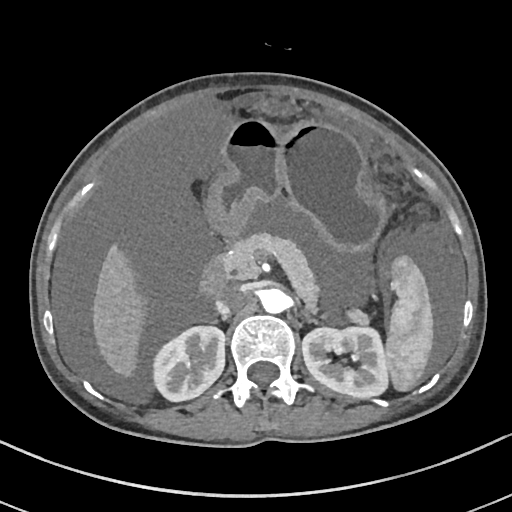
Computed tomography, abdomen — Axial slice 157/237 — scan has 15 labeled organs (counted over the whole 3D scan, not this slice; an organ is boxed only where this slice passes through it)
Bounding boxes as [x1, y1, x2, y2] in pixel coordinates. The annotated organs in this slice are: spleen at [385, 254, 432, 389], right kidney at [151, 326, 224, 401], left kidney at [302, 326, 389, 398], liver at [93, 246, 145, 374], stomach at [207, 117, 384, 251], aorta at [261, 288, 288, 313], inferior vena cava at [215, 286, 246, 315], pancreas at [215, 233, 368, 326], duodenum at [199, 259, 228, 298].